CT of the abdomen extending into the chest, slice through the chest — Axial slice 112/123 — 512x512 px — 45-year-old female patient — scan has 15 labeled organs (that count is for the whole scan; organs this slice misses have no box)
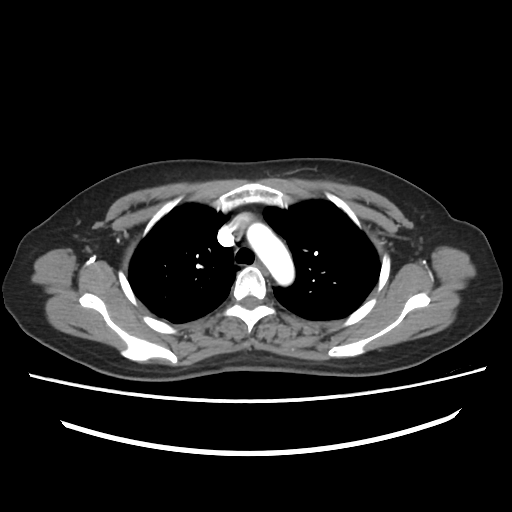
On a slice this high in the chest, this dataset labels only the esophagus and the aorta, and each is boxed only where it is labeled; the heart, lungs and other chest structures are not labeled.
<organs><organ name="esophagus" x1="255" y1="261" x2="269" y2="276"/><organ name="aorta" x1="247" y1="223" x2="294" y2="285"/></organs>